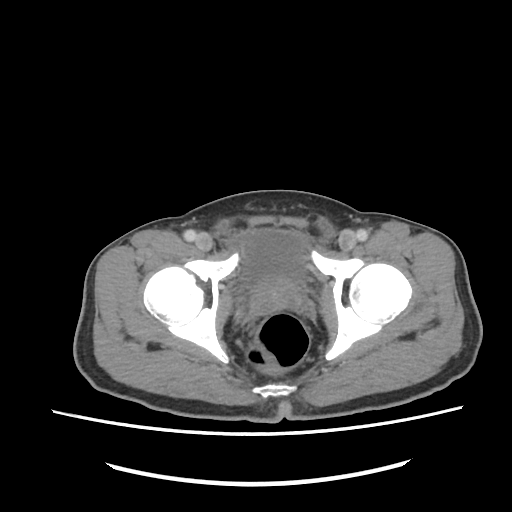

Computed tomography, abdomen — axial view — soft-tissue window
Bounding boxes in pixels, one row per box: x1, y1 is the top-left corner and x2, y2 the bottom-right.
| organ | x1 | y1 | x2 | y2 |
|---|---|---|---|---|
| bladder | 234 | 229 | 305 | 286 |
| prostate/uterus | 253 | 279 | 301 | 312 |